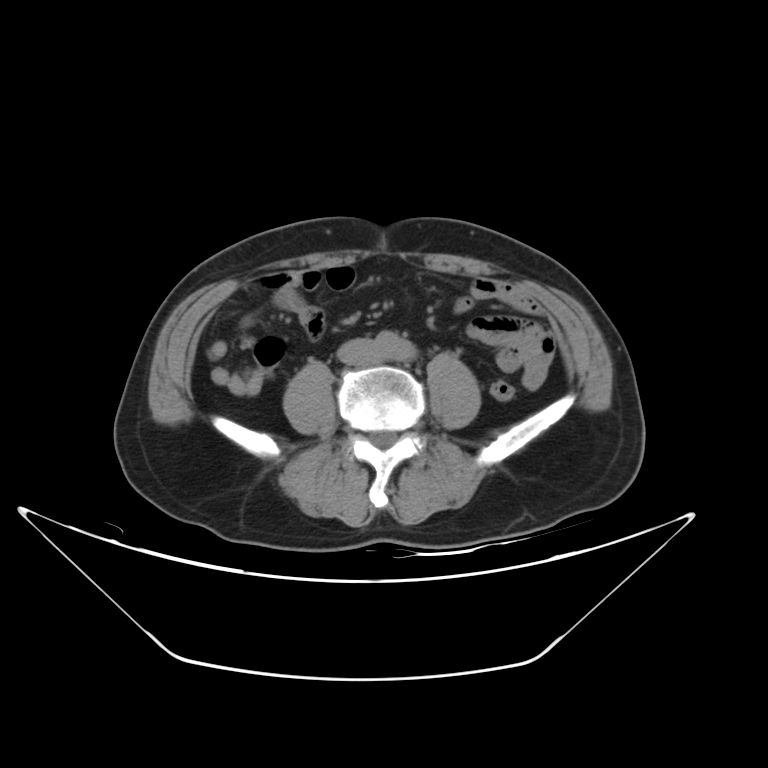 Abdominal CT · axial plane, index 53 · W/L 400/40 HU · 71-year-old male patient · acquired on Brilliance16 · scan has 15 labeled organs (counted over the whole 3D scan, not this slice; an organ is boxed only where this slice passes through it)
One row per box, in pixels: columns x1 and y1 give the top-left corner, x2 and y2 the bottom-right.
| organ | x1 | y1 | x2 | y2 |
|---|---|---|---|---|
| inferior vena cava | 338 | 339 | 375 | 364 |